CT, abdomen/pelvis — Axial slice 58/135 — 512x512 px — scan has 15 labeled organs (that count is for the whole scan; organs this slice misses have no box)
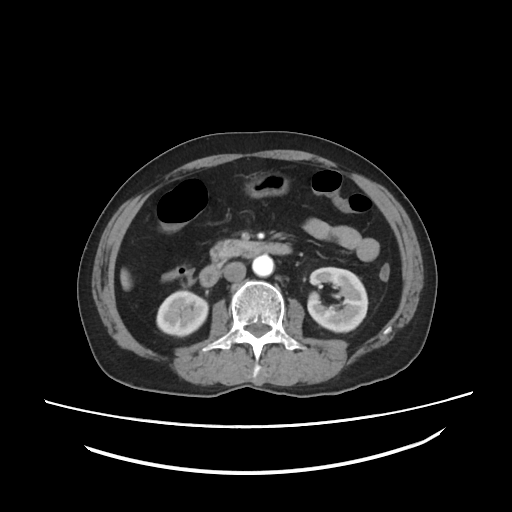

Coordinates as <box>x1,y1,x2,y2</box> in pixels. Labeled organs on this slice: inferior vena cava at <box>223,262,245,281</box>, right kidney at <box>156,291,208,335</box>, aorta at <box>252,255,273,276</box>, left kidney at <box>307,267,367,331</box>, stomach at <box>244,171,289,197</box>, liver at <box>120,268,131,290</box>, pancreas at <box>210,239,261,261</box>, duodenum at <box>199,243,291,286</box>.